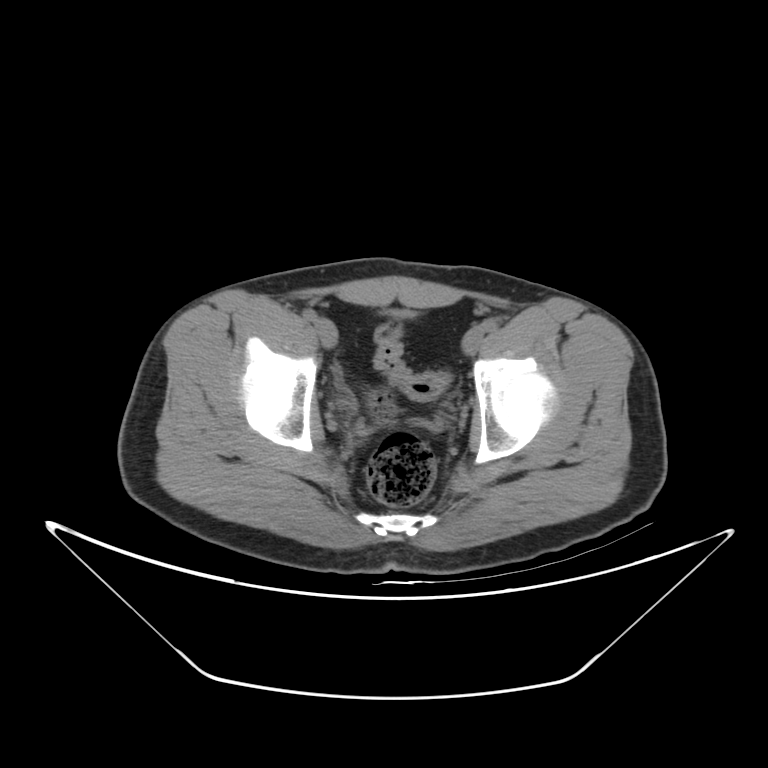

CT, abdomen/pelvis · axial view · abdomen soft-tissue window · 768x768 px · 25-year-old male patient
Boxes: x1 y1 x2 y2 (pixel coords, space-separated). 1 labeled organ on this slice — bladder at 390 310 414 316.